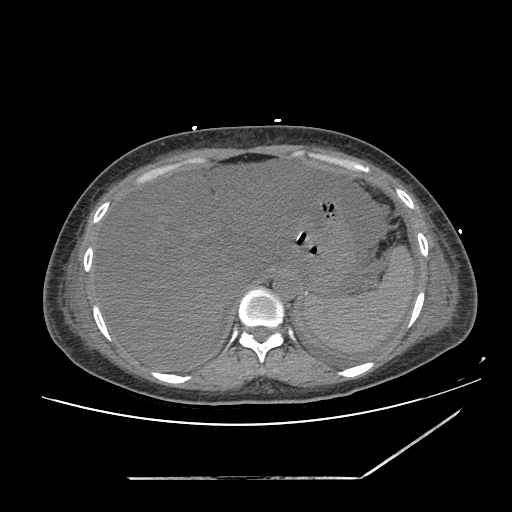 CT abdomen; axial view; soft-tissue window (W 400 / L 40); scan has 15 labeled organs (a whole-scan count: organs this slice does not pass through have no box)
Boxes: x1 y1 x2 y2 (pixel coords, space-separated).
spleen: 304 245 414 353
liver: 93 162 314 370
stomach: 285 194 354 299
aorta: 273 272 299 299
inferior vena cava: 228 271 254 298